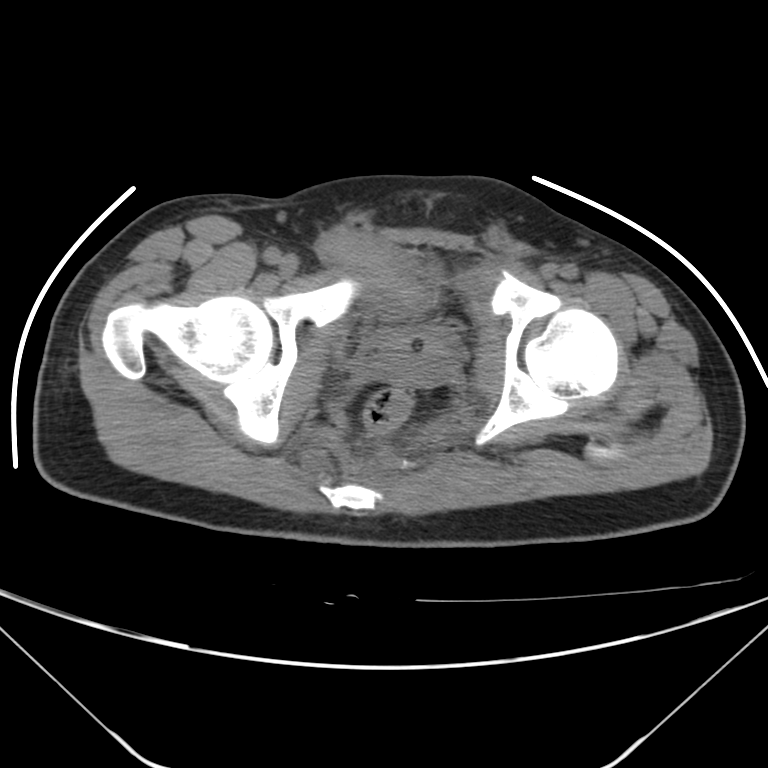

CT, abdomen/pelvis. Axial slice 15/100. soft-tissue window. Brilliance16 scanner
{"organs":{"prostate/uterus":[368,328,456,382]}}